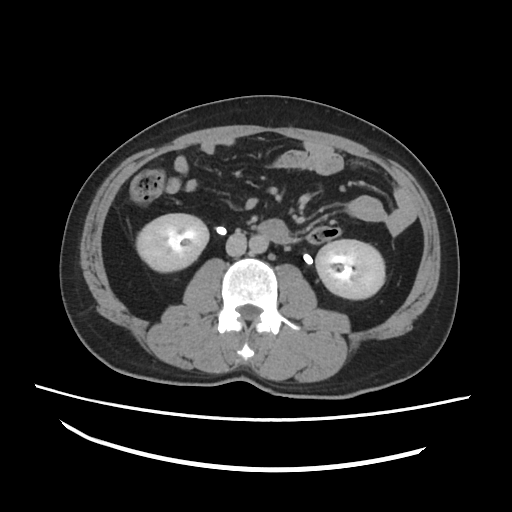 CT, abdomen/pelvis — axial view — soft-tissue window (W 400 / L 40) — 512x512 px
{"organs":{"right kidney":[136,213,209,270],"left kidney":[315,240,386,299],"aorta":[248,234,267,254],"inferior vena cava":[226,230,246,254]}}